CT, abdomen/pelvis. axial view. soft-tissue window. 512x512 px. scan has 15 labeled organs (a whole-scan count: organs this slice does not pass through have no box)
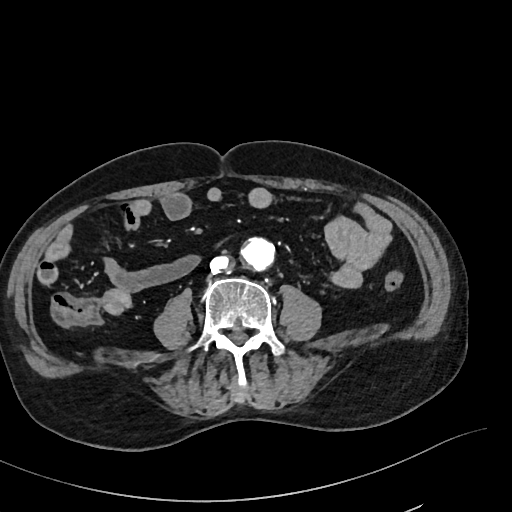 {"organs":{"inferior vena cava":[209,257,230,273],"aorta":[241,238,274,270]}}